CT, abdomen/pelvis · axial view · W/L 400/40 HU
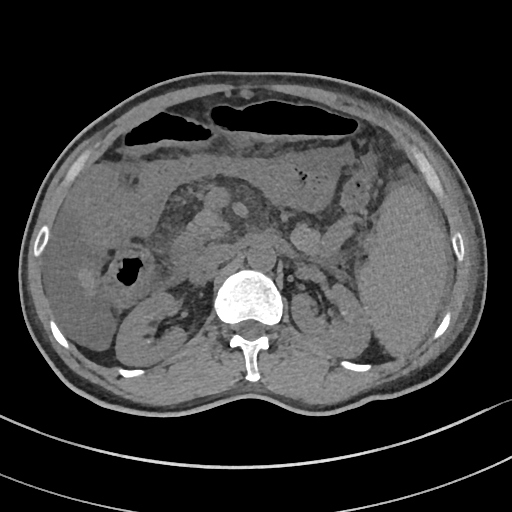 Bounding boxes in pixels, one row per box: x1, y1 is the top-left corner and x2, y2 the bottom-right.
| organ | x1 | y1 | x2 | y2 |
|---|---|---|---|---|
| spleen | 358 | 186 | 447 | 355 |
| right kidney | 116 | 292 | 185 | 365 |
| left kidney | 292 | 282 | 372 | 357 |
| liver | 80 | 267 | 97 | 293 |
| aorta | 246 | 243 | 275 | 270 |
| inferior vena cava | 198 | 243 | 235 | 270 |
| pancreas | 184 | 209 | 228 | 245 |
| duodenum | 171 | 233 | 202 | 279 |